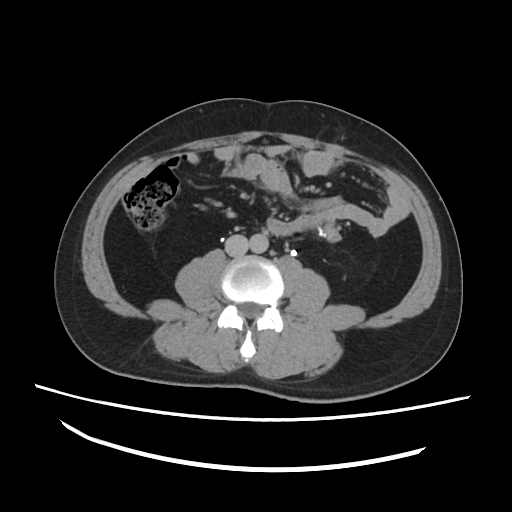
Computed tomography, abdomen. axial plane, index 51. 44-year-old male patient. acquired on Aquilion ONE. scan has 15 labeled organs (that count is for the whole scan; organs this slice misses have no box)
{"organs":{"aorta":[249,233,269,252],"inferior vena cava":[226,234,248,256]}}